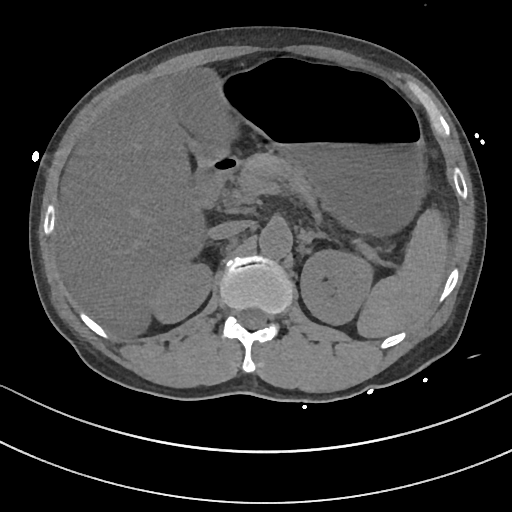

Abdominal CT; axial view; W/L 400/40 HU
One row per box, in pixels: columns x1 and y1 give the top-left corner, x2 and y2 the bottom-right.
| organ | x1 | y1 | x2 | y2 |
|---|---|---|---|---|
| spleen | 357 | 209 | 447 | 338 |
| right kidney | 148 | 263 | 211 | 323 |
| left kidney | 300 | 249 | 373 | 325 |
| gall bladder | 175 | 70 | 230 | 159 |
| liver | 57 | 75 | 206 | 334 |
| stomach | 188 | 63 | 426 | 236 |
| aorta | 259 | 222 | 292 | 258 |
| inferior vena cava | 207 | 220 | 249 | 239 |
| pancreas | 238 | 152 | 316 | 207 |
| right adrenal gland | 209 | 242 | 211 | 244 |
| left adrenal gland | 299 | 229 | 327 | 248 |
| duodenum | 187 | 156 | 239 | 209 |